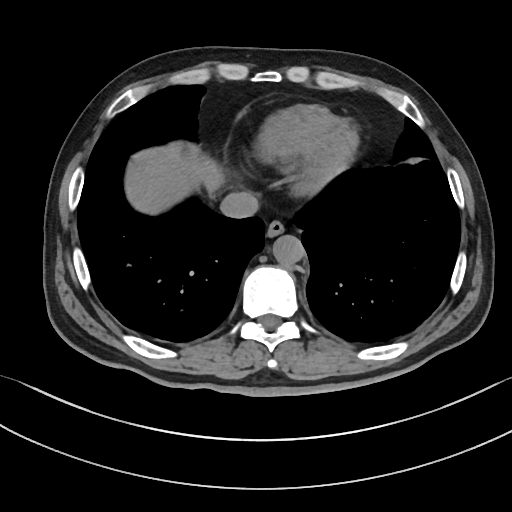

CT abdomen; Axial slice 212/231; 512x512 px
<organs><organ name="esophagus" x1="265" y1="220" x2="284" y2="238"/><organ name="liver" x1="135" y1="155" x2="222" y2="214"/><organ name="aorta" x1="272" y1="235" x2="304" y2="266"/><organ name="inferior vena cava" x1="220" y1="191" x2="258" y2="218"/></organs>